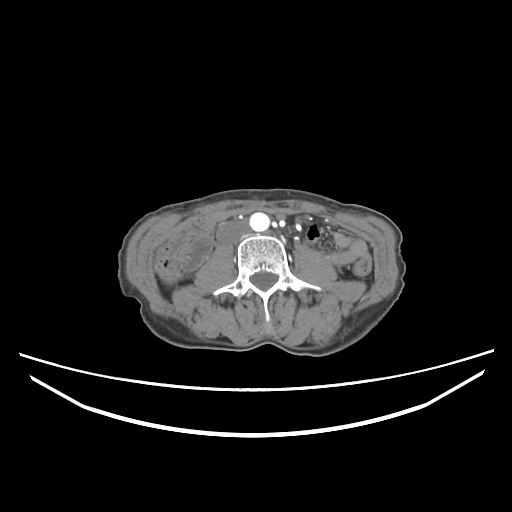 CT abdomen; Axial slice 45/118; abdomen soft-tissue window
Bounding boxes as [x1, y1, x2, y2] in pixel coordinates. 2 labeled organs on this slice — aorta at [249, 212, 269, 231]; inferior vena cava at [216, 220, 248, 244].